Abdominal CT · axial view · 28-year-old female patient · acquired on Brilliance16
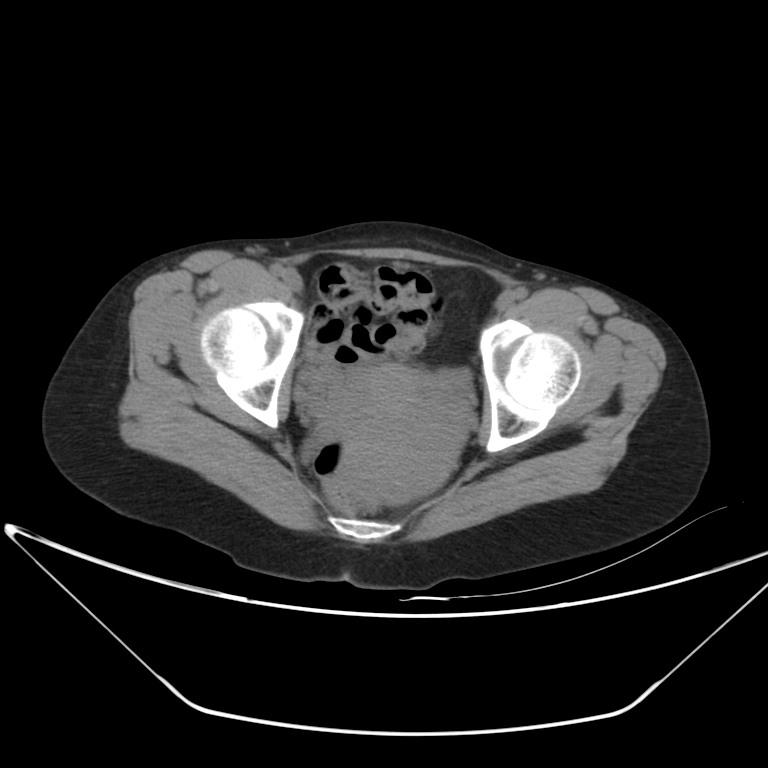
Bounding boxes as [x1, y1, x2, y2] in pixel coordinates.
Organ bounding boxes:
- prostate/uterus: [340, 365, 470, 501]